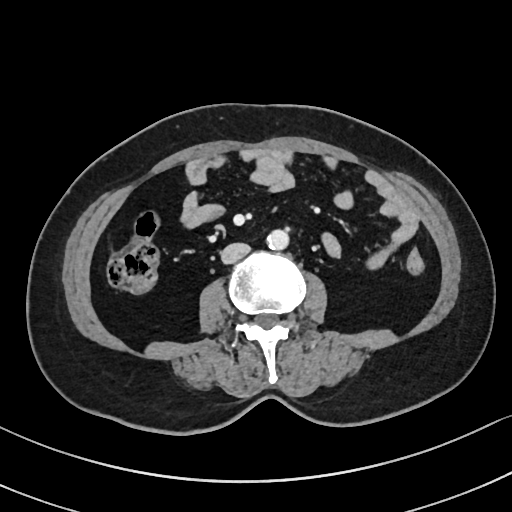

CT abdomen. axial view. 512x512 px
Organ boxes in pixel coordinates; each row gives the top-left (x1, y1) and bottom-right (x2, y2) corners.
| organ | x1 | y1 | x2 | y2 |
|---|---|---|---|---|
| aorta | 267 | 229 | 288 | 250 |
| inferior vena cava | 220 | 242 | 250 | 263 |